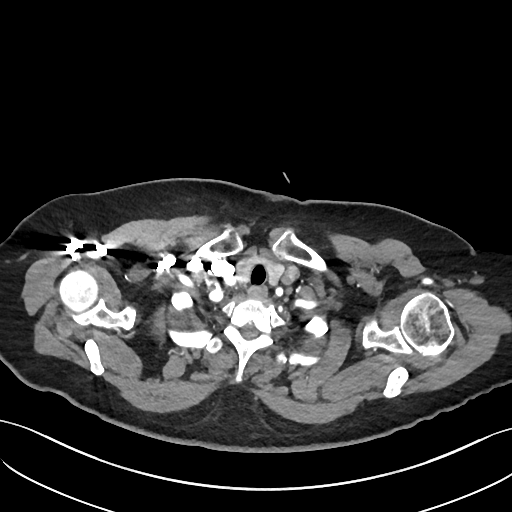

Abdominal CT reaching into the chest; this slice is in the chest. axial view. 512x512 px
At this level of the chest this dataset labels only the esophagus and the aorta, and each is boxed only where it is labeled; the heart and lungs are never labeled.
{"organs":{"esophagus":[246,285,266,299]}}